Abdominal CT; axial view; abdomen soft-tissue window; 15 organs annotated in this scan (counted over the whole 3D scan, not this slice; an organ is boxed only where this slice passes through it)
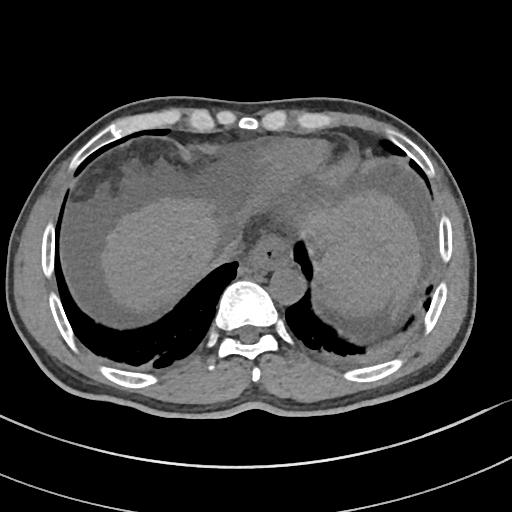
Each box given as x1,y1,x2,y2.
Organ bounding boxes:
- inferior vena cava: x1=207, y1=236, x2=242, y2=266
- liver: x1=102, y1=192, x2=420, y2=319
- spleen: x1=321, y1=242, x2=391, y2=311
- esophagus: x1=244, y1=239, x2=291, y2=272
- aorta: x1=270, y1=268, x2=305, y2=304